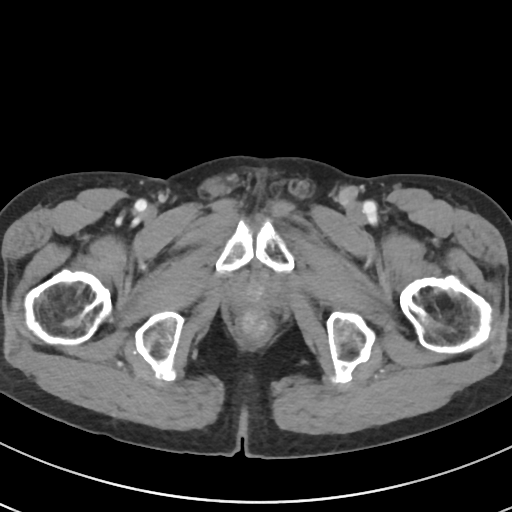 Abdominal CT. axial plane, index 3. soft-tissue window (W 400 / L 40). scan has 15 labeled organs (a whole-scan count: organs this slice does not pass through have no box)
Bounding boxes as [x1, y1, x2, y2] in pixel coordinates.
Organ bounding boxes:
- prostate/uterus: [235, 280, 273, 306]